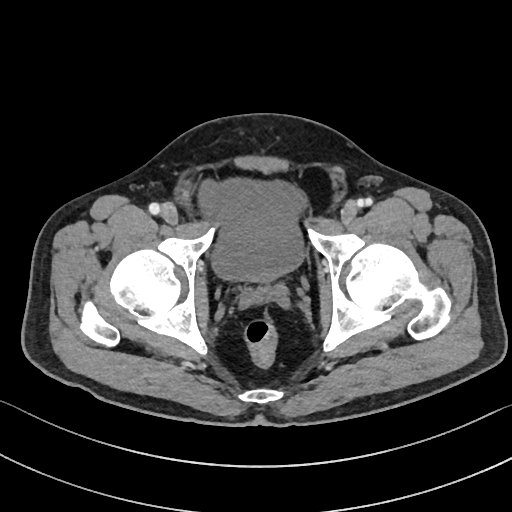 CT, abdomen/pelvis · axial view · SOMATOM Force scanner
{"organs":{"bladder":[199,179,306,280]}}